Chest-level slice from an abdominal CT that extends up into the chest · axial view · SOMATOM Force scanner
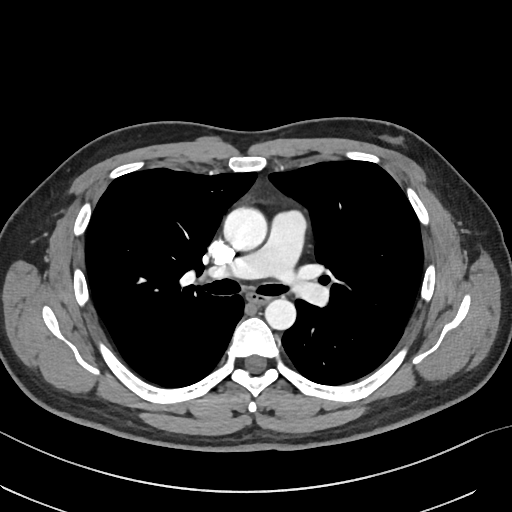 On a slice this high in the chest, this dataset labels only the esophagus and the aorta, and each is boxed only where it is labeled; the heart, lungs and other chest structures are not labeled.
Bounding boxes as [x1, y1, x2, y2] in pixel coordinates.
Organ bounding boxes:
- esophagus: [246, 290, 269, 304]
- aorta: [223, 207, 267, 251]
- aorta: [265, 297, 296, 329]